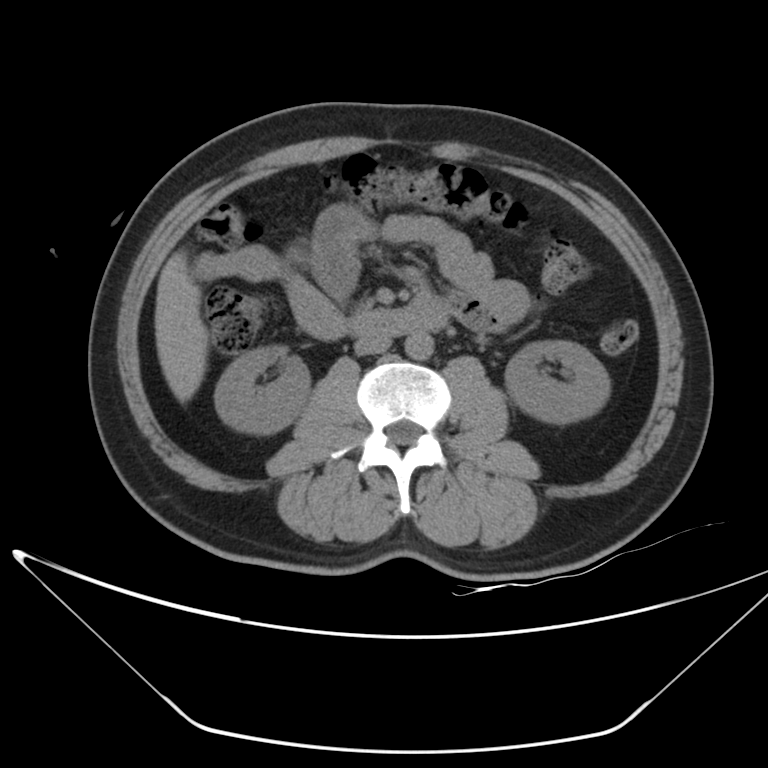 CT abdomen. Axial slice 52/84. abdomen soft-tissue window. 42-year-old male patient
{"organs":{"right kidney":[215,345,310,433],"left kidney":[506,340,610,423],"liver":[154,252,208,402],"aorta":[405,332,433,359],"inferior vena cava":[354,335,392,355],"pancreas":[354,304,370,315],"duodenum":[348,298,448,336]}}